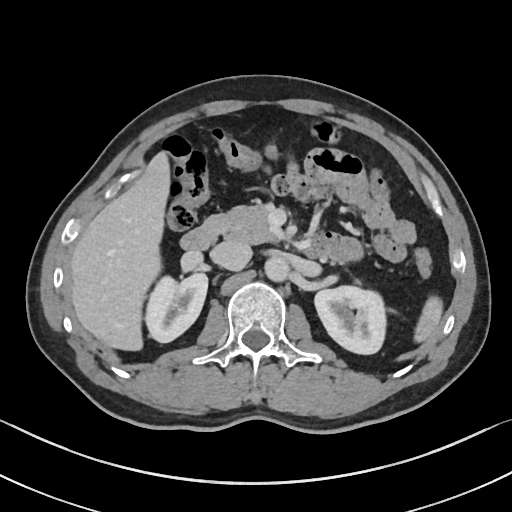

Computed tomography, abdomen · axial plane, index 131 · soft-tissue window (W 400 / L 40)
{"organs":{"spleen":[414,296,443,342],"right kidney":[145,273,207,342],"duodenum":[180,225,324,256],"left kidney":[314,286,386,354],"pancreas":[203,203,277,244],"liver":[70,151,170,350],"inferior vena cava":[211,240,251,271],"aorta":[264,255,289,281]}}